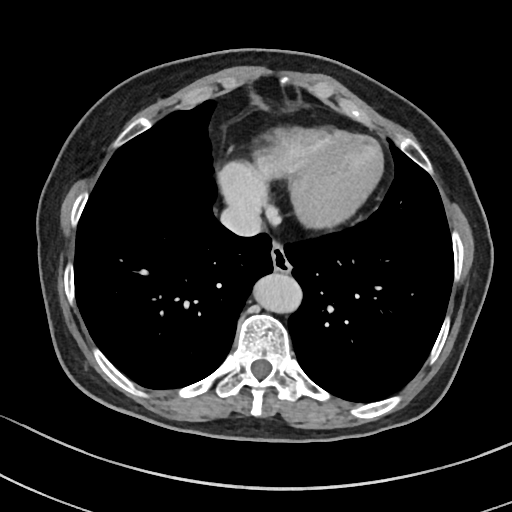 Lower-chest slice from an abdominal CT, just above the liver and spleen. axial view. soft-tissue window
The heart and lungs are never labeled in this dataset, so they have no box on this slice. Boxes: x1:y1:x2:y2 in pixels. The annotated organs in this slice are: esophagus at 271:239:290:271, aorta at 251:272:299:312, inferior vena cava at 220:206:262:236.